Computed tomography, abdomen; axial view; scan has 15 labeled organs (a whole-scan count: organs this slice does not pass through have no box)
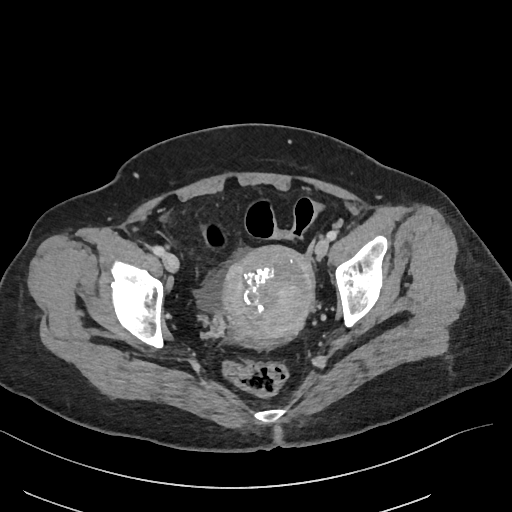

Each box given as x1,y1,x2,y2.
prostate/uterus: x1=222, y1=246, x2=314, y2=341